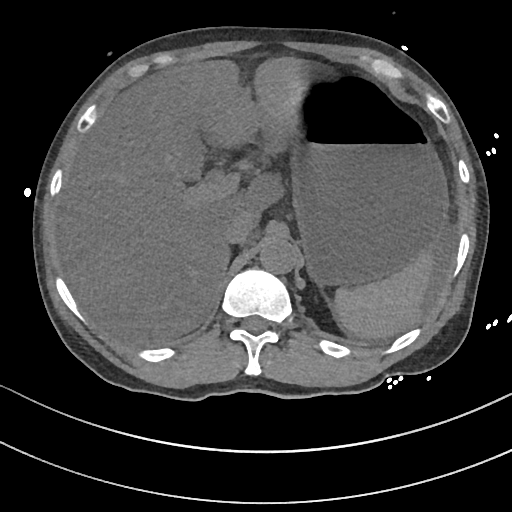

CT, abdomen/pelvis · Axial slice 193/252 · W/L 400/40 HU · 512x512 px
Coordinates as <box>x1,y1,x2,y2</box> in pixels.
Organ bounding boxes:
- aorta: <box>260,238,298,274</box>
- liver: <box>59,56,302,345</box>
- stomach: <box>292,85,448,286</box>
- spleen: <box>334,252,432,338</box>
- inferior vena cava: <box>224,216,251,244</box>